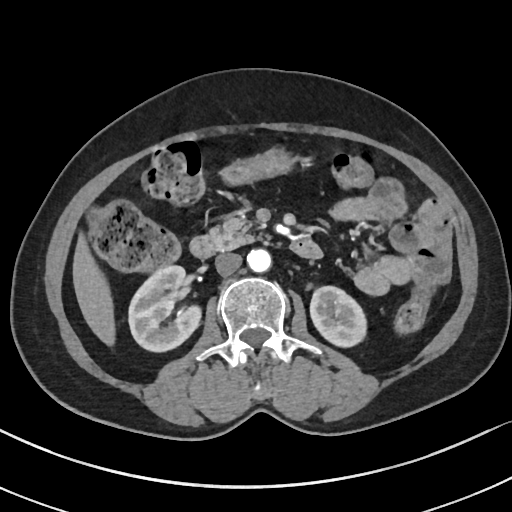
CT, abdomen/pelvis — axial view — abdomen soft-tissue window — SOMATOM Force scanner
<organs><organ name="right kidney" x1="129" y1="266" x2="202" y2="353"/><organ name="left kidney" x1="310" y1="285" x2="366" y2="347"/><organ name="liver" x1="73" y1="236" x2="113" y2="348"/><organ name="stomach" x1="217" y1="147" x2="293" y2="186"/><organ name="aorta" x1="247" y1="249" x2="271" y2="273"/><organ name="inferior vena cava" x1="215" y1="253" x2="242" y2="276"/><organ name="pancreas" x1="211" y1="209" x2="254" y2="249"/><organ name="duodenum" x1="190" y1="236" x2="322" y2="259"/></organs>